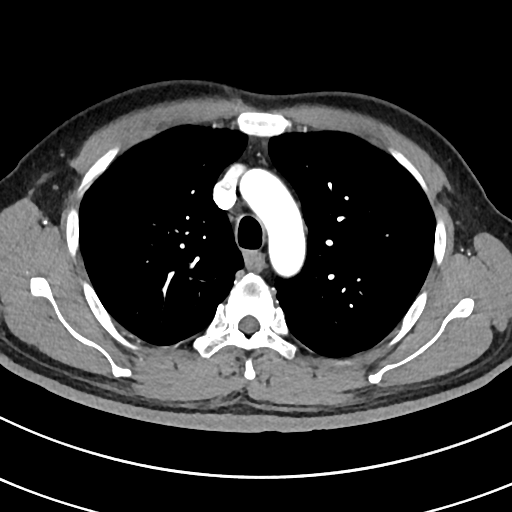

Abdominal CT reaching into the chest; this slice is in the chest · axial plane, index 260 · 512x512 px · 15 organs annotated in this scan (that count is for the whole scan; organs this slice misses have no box)
At this level of the chest this dataset labels only the esophagus and the aorta, and each is boxed only where it is labeled; the heart and lungs are never labeled.
<organs><organ name="esophagus" x1="246" y1="253" x2="263" y2="268"/><organ name="aorta" x1="240" y1="169" x2="305" y2="276"/></organs>